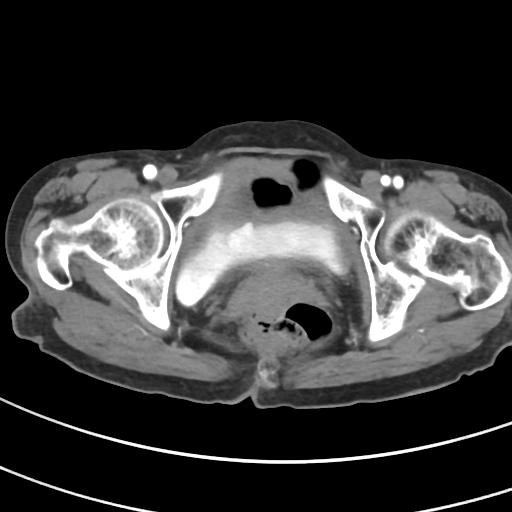

Abdominal CT · axial plane, index 11 · abdomen soft-tissue window · 512x512 px · SOMATOM Force scanner
Box edges are left/top/right/bottom in pixels.
Organ bounding boxes:
- bladder: left=176, top=159, right=349, bottom=305